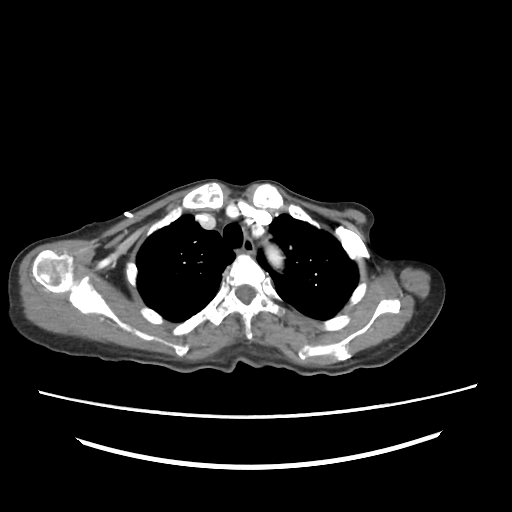

Chest-level slice from an abdominal CT that extends up into the chest · axial view · W/L 400/40 HU · 15 organs annotated in this scan (a whole-scan count: organs this slice does not pass through have no box)
At this level of the chest this dataset labels only the esophagus and the aorta, and each is boxed only where it is labeled; the heart and lungs are never labeled.
<organs><organ name="esophagus" x1="243" y1="236" x2="254" y2="253"/><organ name="aorta" x1="265" y1="244" x2="283" y2="268"/></organs>